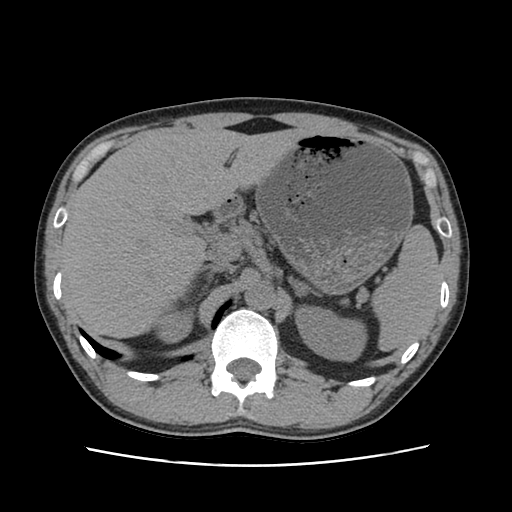

Computed tomography, abdomen; axial view; soft-tissue window; SOMATOM Force scanner
{"organs":{"spleen":[371,224,438,351],"right kidney":[156,307,194,342],"left kidney":[295,305,367,361],"liver":[61,128,310,338],"stomach":[235,133,413,293],"aorta":[244,280,275,310],"inferior vena cava":[205,252,235,272],"right adrenal gland":[182,266,218,296],"left adrenal gland":[289,277,320,297],"duodenum":[215,196,241,221]}}